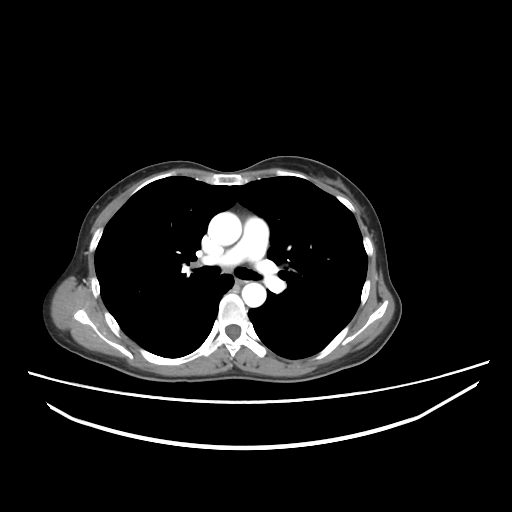

Abdominal CT reaching into the chest; this slice is in the chest · axial plane, index 90 · soft-tissue window · acquired on Aquilion ONE
At this level of the chest no structure but the esophagus and the aorta has a label in this dataset, and those two are boxed only where they are labeled.
Bounding boxes in pixels, one row per box: x1, y1 is the top-left corner and x2, y2 the bottom-right.
| organ | x1 | y1 | x2 | y2 |
|---|---|---|---|---|
| esophagus | 235 | 279 | 243 | 285 |
| aorta | 207 | 212 | 241 | 245 |
| aorta | 241 | 282 | 266 | 307 |